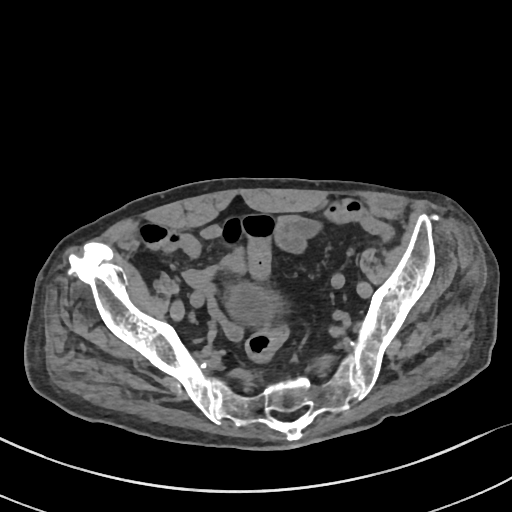

Abdominal CT. axial view. acquired on SOMATOM Force
Organ boxes in pixel coordinates; each row gives the top-left (x1, y1) and bottom-right (x2, y2) corners.
| organ | x1 | y1 | x2 | y2 |
|---|---|---|---|---|
| bladder | 227 | 283 | 279 | 323 |